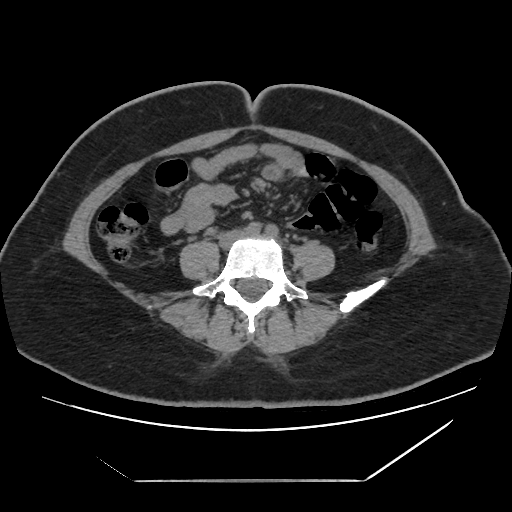

Abdominal CT — axial view — 512x512 px — acquired on SOMATOM Force
{"organs":{"inferior vena cava":[224,230,242,239]}}